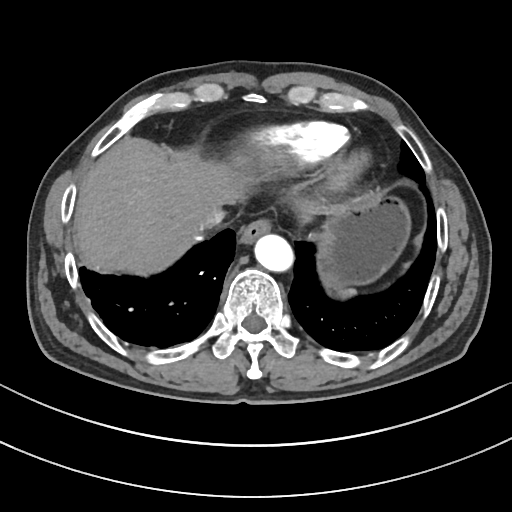 CT abdomen — axial view
Each box given as x1,y1,x2,y2.
spleen: x1=336, y1=286, x2=356, y2=298
esophagus: x1=239, y1=218, x2=271, y2=244
liver: x1=74, y1=141, x2=332, y2=275
stomach: x1=325, y1=193, x2=410, y2=285
aorta: x1=254, y1=234, x2=293, y2=271
inferior vena cava: x1=198, y1=206, x2=225, y2=229